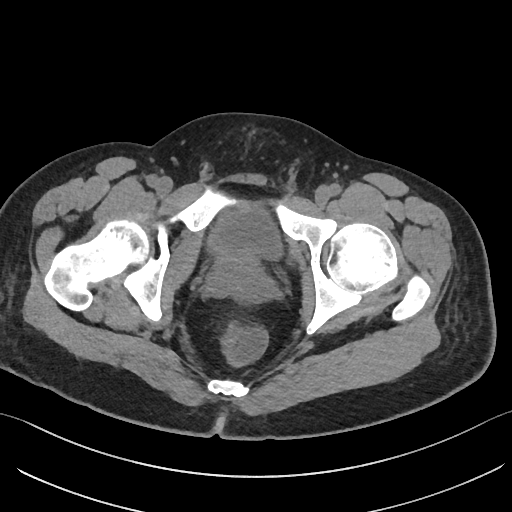 Computed tomography, abdomen; axial view; acquired on SOMATOM Force
{"organs":{"prostate/uterus":[218,254,257,277],"bladder":[208,208,281,259]}}